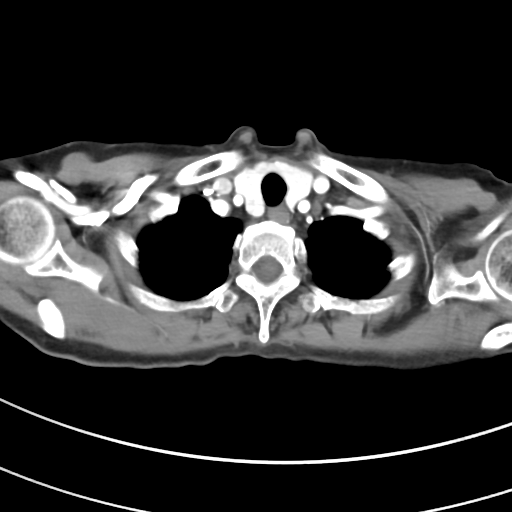 Abdominal CT reaching into the chest; this slice is in the chest; Axial slice 115/118; soft-tissue window (W 400 / L 40); 512x512 px
On a slice this high in the chest, this dataset labels only the esophagus and the aorta, and each is boxed only where it is labeled; the heart, lungs and other chest structures are not labeled.
Coordinates as <box>x1,y1,x2,y2</box> in pixels.
esophagus: <box>268,208,290,224</box>